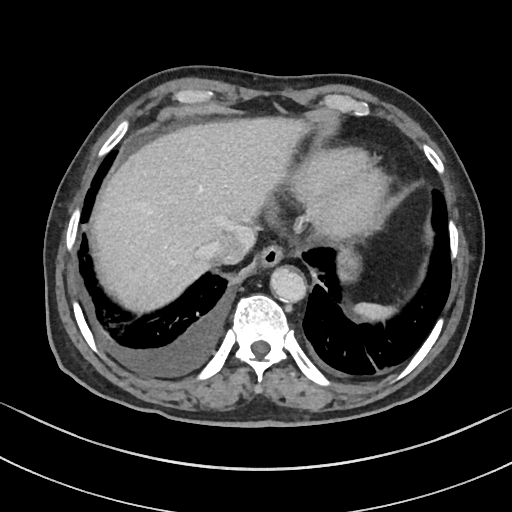
Computed tomography, abdomen; axial plane, index 204; soft-tissue window; SOMATOM Force scanner
{"organs":{"spleen":[353,302,395,320],"esophagus":[258,244,283,267],"liver":[91,117,303,313],"stomach":[337,247,361,281],"aorta":[270,267,306,302],"inferior vena cava":[207,226,255,264]}}